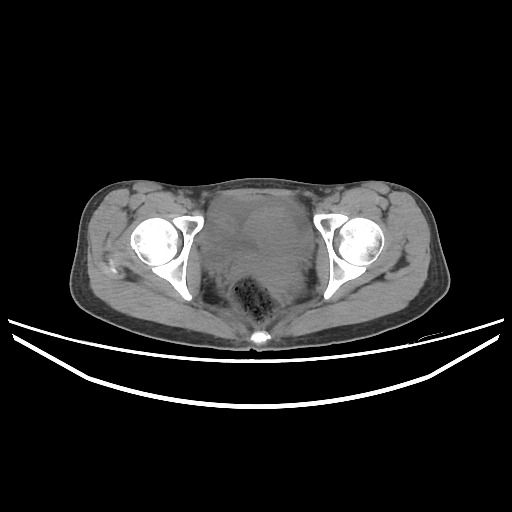

CT abdomen · axial view · 31-year-old female patient · scan has 15 labeled organs (that count is for the whole scan; organs this slice misses have no box)
One row per box, in pixels: columns x1 and y1 give the top-left corner, x2 and y2 the bottom-right.
| organ | x1 | y1 | x2 | y2 |
|---|---|---|---|---|
| bladder | 202 | 245 | 231 | 268 |
| prostate/uterus | 247 | 206 | 296 | 287 |